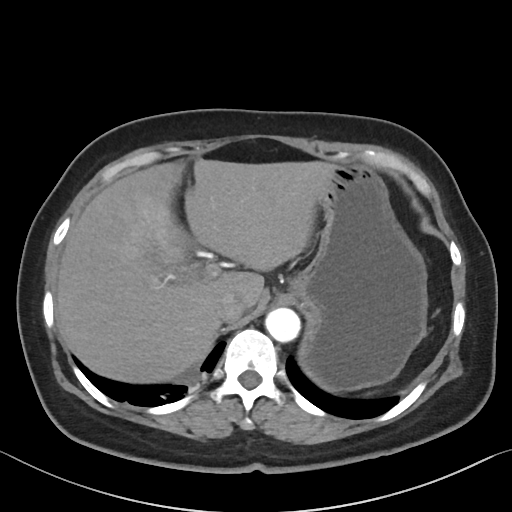
Computed tomography, abdomen · axial view · 512x512 px · SOMATOM Force scanner
<organs><organ name="liver" x1="55" y1="159" x2="333" y2="383"/><organ name="stomach" x1="289" y1="163" x2="427" y2="391"/><organ name="aorta" x1="265" y1="307" x2="300" y2="342"/><organ name="inferior vena cava" x1="215" y1="293" x2="244" y2="322"/></organs>